Abdominal CT; Axial slice 251/265; abdomen soft-tissue window; 512x512 px
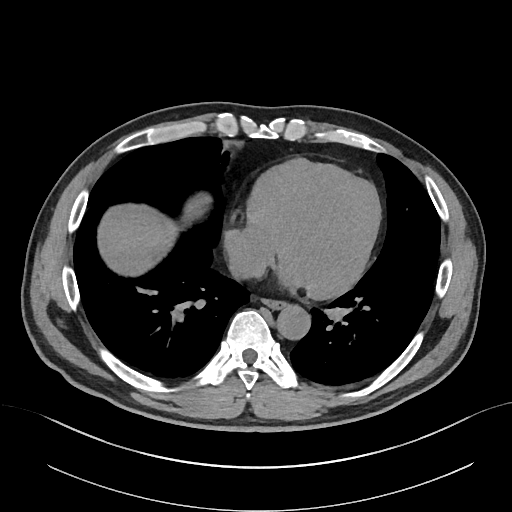

Boxes: x1 y1 x2 y2 (pixel coords, space-separated). Labeled organs on this slice: esophagus at 262 299 285 309, liver at 98 207 174 277, aorta at 276 305 310 340, inferior vena cava at 230 250 266 276.